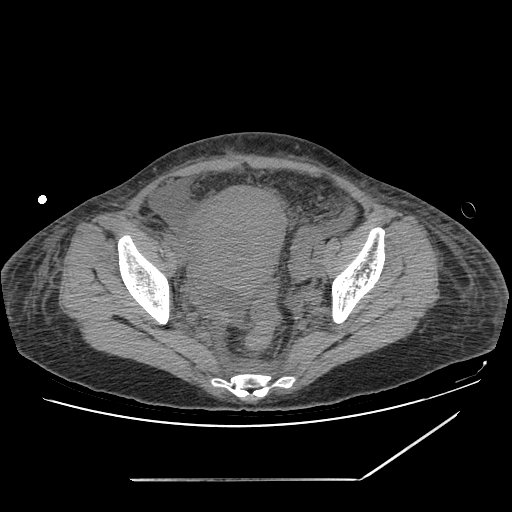

CT abdomen; axial view; soft-tissue window; 15 organs annotated in this scan (counted over the whole 3D scan, not this slice; an organ is boxed only where this slice passes through it)
{"organs":{"prostate/uterus":[202,188,286,298]}}